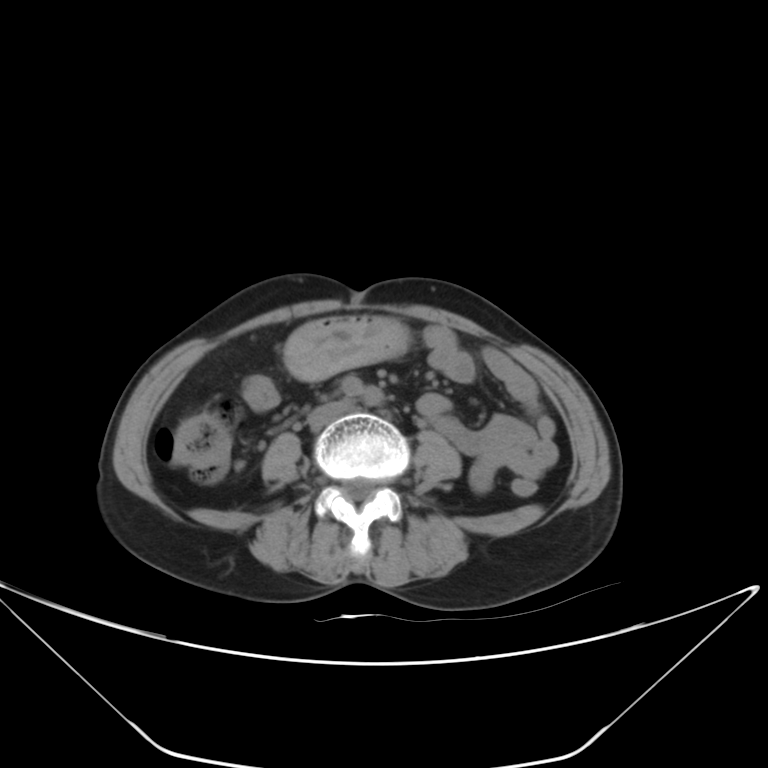

Abdominal CT — axial view
Boxes: x1 y1 x2 y2 (pixel coords, space-separated). The annotated organs in this slice are: stomach at 286 316 406 381, inferior vena cava at 307 401 349 429.